CT, abdomen/pelvis; axial view; abdomen soft-tissue window; 512x512 px
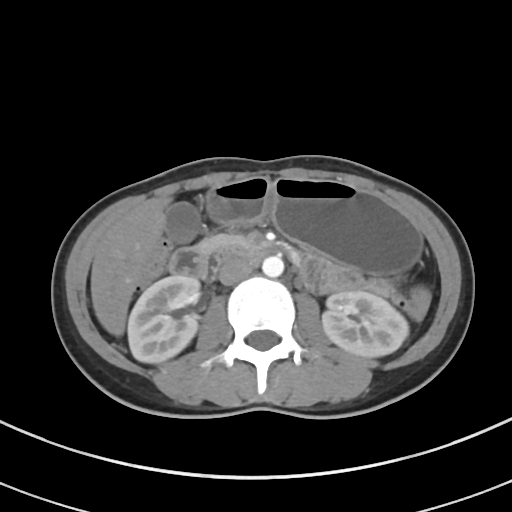 Bounding boxes in pixels, one row per box: x1, y1 is the top-left corner and x2, y2 the bottom-right.
| organ | x1 | y1 | x2 | y2 |
|---|---|---|---|---|
| right kidney | 127 | 275 | 199 | 362 |
| left kidney | 322 | 290 | 408 | 357 |
| gall bladder | 165 | 202 | 199 | 243 |
| liver | 90 | 197 | 170 | 336 |
| stomach | 205 | 176 | 421 | 274 |
| aorta | 262 | 256 | 284 | 277 |
| inferior vena cava | 218 | 258 | 253 | 285 |
| pancreas | 196 | 234 | 249 | 253 |
| duodenum | 168 | 245 | 269 | 280 |